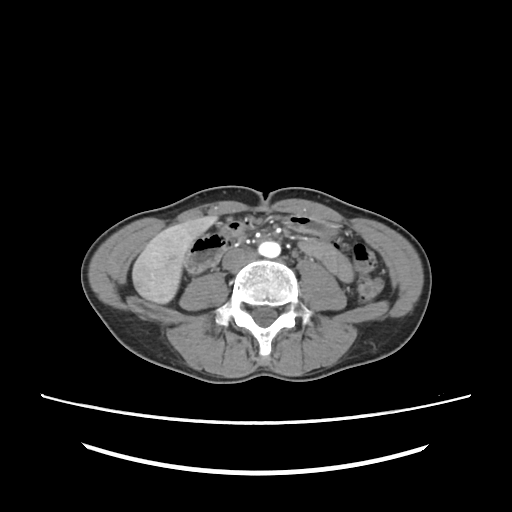 Computed tomography, abdomen; axial view; abdomen soft-tissue window; 15 organs annotated in this scan (counted over the whole 3D scan, not this slice; an organ is boxed only where this slice passes through it)
<organs><organ name="liver" x1="132" y1="217" x2="213" y2="303"/><organ name="stomach" x1="284" y1="216" x2="335" y2="236"/><organ name="aorta" x1="258" y1="241" x2="280" y2="258"/><organ name="inferior vena cava" x1="222" y1="248" x2="255" y2="271"/></organs>